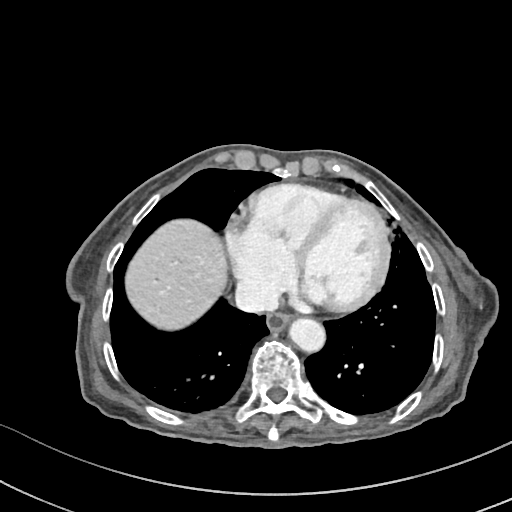

CT abdomen. axial view. soft-tissue window (W 400 / L 40). SOMATOM Force scanner
Coordinates as <box>x1,y1,x2,y2</box> in pixels.
inferior vena cava: <box>235,280,278,312</box>
aorta: <box>289,318,325,352</box>
esophagus: <box>266,312,291,331</box>
liver: <box>125,219,226,329</box>